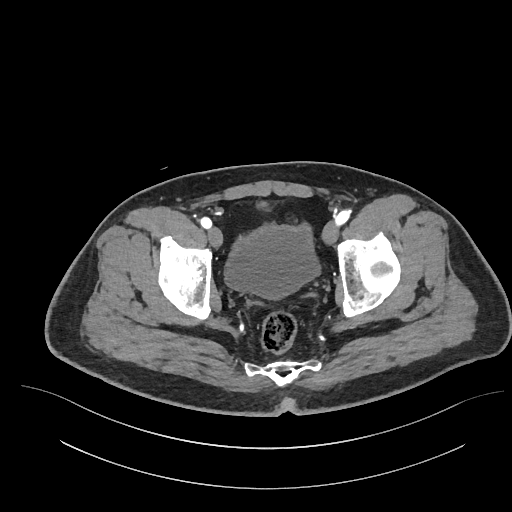 CT, abdomen/pelvis — axial view
<organs><organ name="bladder" x1="224" y1="221" x2="321" y2="298"/></organs>